Chest-level CT slice, above the liver and spleen — axial view — 512x512 px
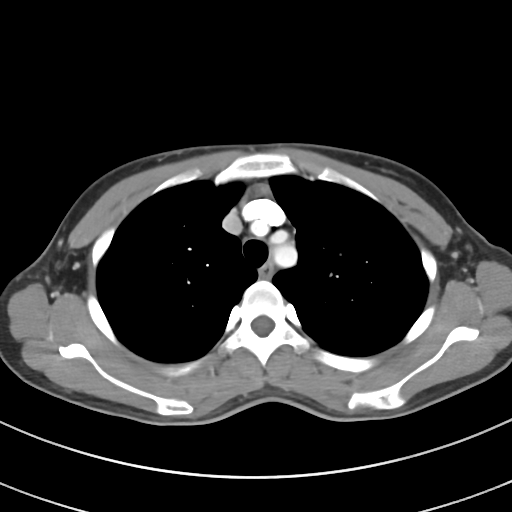
On a slice this high in the chest, this dataset labels only the esophagus and the aorta, and each is boxed only where it is labeled; the heart, lungs and other chest structures are not labeled.
<organs><organ name="esophagus" x1="259" y1="262" x2="274" y2="277"/><organ name="aorta" x1="273" y1="243" x2="296" y2="267"/></organs>